Abdominal CT · axial view · soft-tissue window · 56-year-old female patient
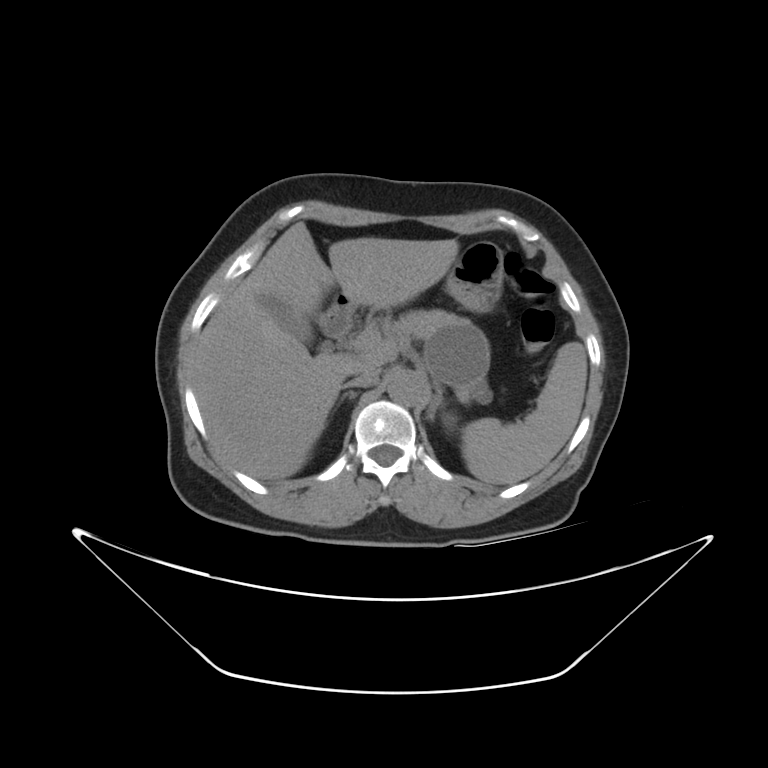
Box edges are left/top/right/bottom in pixels. Labeled organs on this slice: aorta at left=384, top=370, right=427, bottom=409, inferior vena cava at left=352, top=373, right=380, bottom=387, liver at left=193, top=220, right=459, bottom=477, right adrenal gland at left=340, top=391, right=359, bottom=399, pancreas at left=383, top=307, right=493, bottom=403, left adrenal gland at left=426, top=386, right=441, bottom=421, gall bladder at left=256, top=295, right=314, bottom=341, stomach at left=446, top=243, right=501, bottom=308, spleen at left=462, top=342, right=586, bottom=484, duodenum at left=316, top=290, right=354, bottom=334.